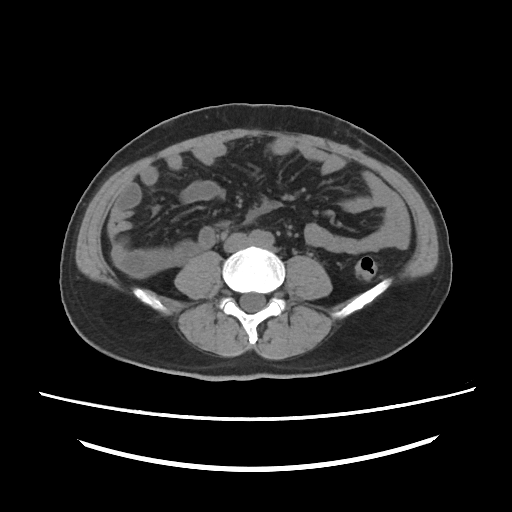
CT, abdomen/pelvis. axial plane, index 40
{"organs":{"aorta":[249,230,273,247],"inferior vena cava":[224,233,250,252]}}